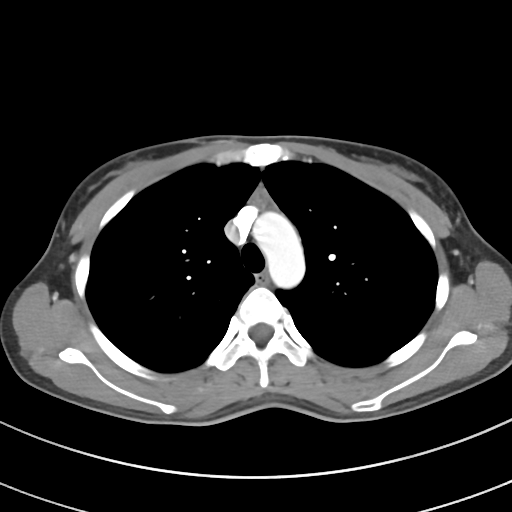 Chest-level CT slice, above the liver and spleen; axial view; soft-tissue window (W 400 / L 40)
At this level of the chest this dataset labels only the esophagus and the aorta, and each is boxed only where it is labeled; the heart and lungs are never labeled.
Each box given as x1,y1,x2,y2.
esophagus: x1=256, y1=272, x2=267, y2=283
aorta: x1=252, y1=212, x2=305, y2=288